Abdominal CT; axial view; 512x512 px; 63-year-old female patient; scan has 14 labeled organs (a whole-scan count: organs this slice does not pass through have no box)
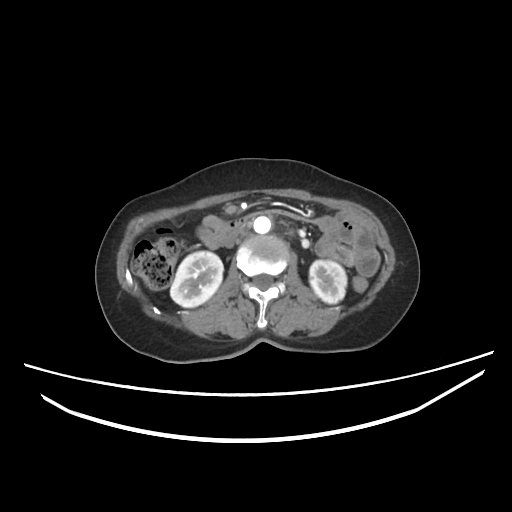
<organs><organ name="inferior vena cava" x1="223" y1="227" x2="242" y2="250"/><organ name="left kidney" x1="309" y1="259" x2="346" y2="302"/><organ name="aorta" x1="253" y1="216" x2="271" y2="234"/><organ name="right kidney" x1="172" y1="251" x2="223" y2="306"/><organ name="duodenum" x1="196" y1="215" x2="253" y2="246"/></organs>